Computed tomography, abdomen · Axial slice 130/219 · 512x512 px
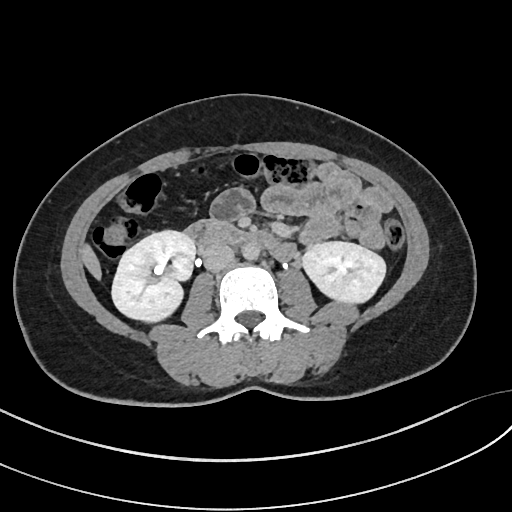 Organ boxes in pixel coordinates; each row gives the top-left (x1, y1) and bottom-right (x2, y2) corners.
| organ | x1 | y1 | x2 | y2 |
|---|---|---|---|---|
| right kidney | 112 | 231 | 195 | 320 |
| left kidney | 302 | 242 | 386 | 305 |
| liver | 81 | 242 | 102 | 281 |
| aorta | 242 | 244 | 260 | 261 |
| inferior vena cava | 202 | 244 | 234 | 272 |
| duodenum | 182 | 220 | 298 | 261 |